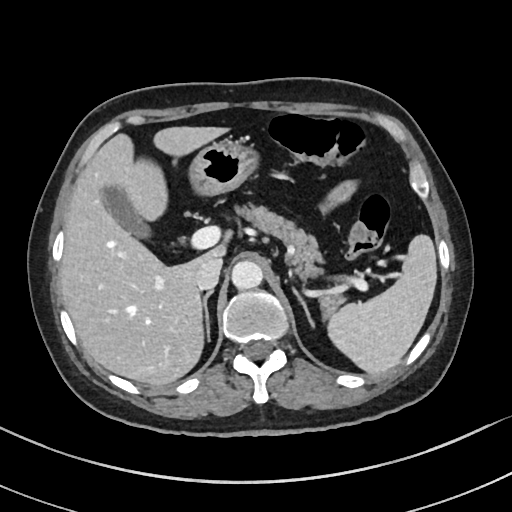
CT, abdomen/pelvis. axial view. soft-tissue window
Boxes: x1 y1 x2 y2 (pixel coords, space-separated). 9 labeled organs on this slice — spleen at 328 235 436 374; gall bladder at 101 186 150 237; liver at 59 126 228 386; stomach at 188 138 258 196; aorta at 231 260 263 289; inferior vena cava at 195 257 222 289; pancreas at 235 203 342 315; right adrenal gland at 202 290 212 339; left adrenal gland at 294 289 314 328.